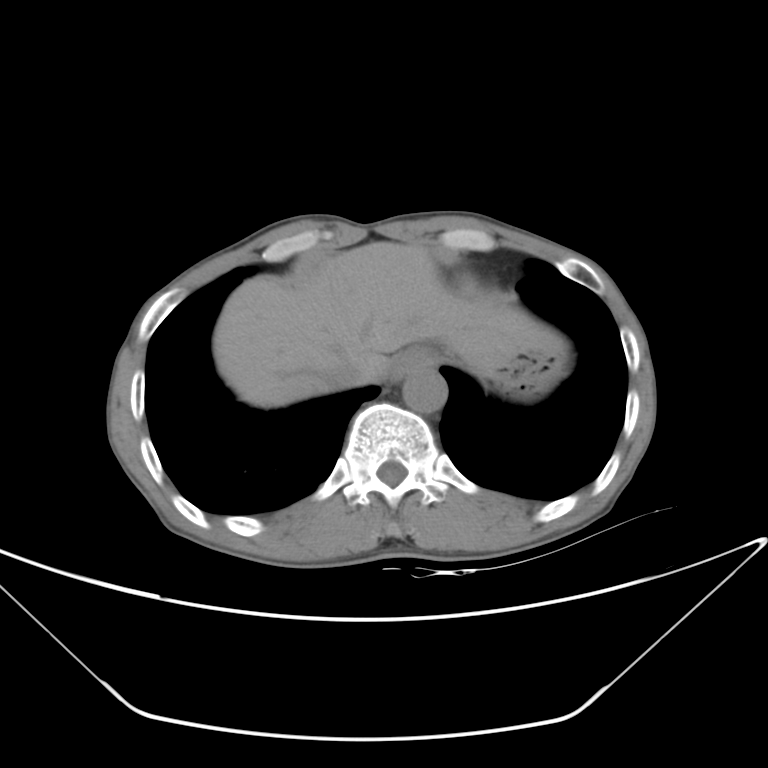
CT, abdomen/pelvis — axial view — 768x768 px — 53-year-old male patient — Brilliance16 scanner — 15 organs annotated in this scan (that count is for the whole scan; organs this slice misses have no box)
<organs><organ name="esophagus" x1="389" y1="345" x2="441" y2="379"/><organ name="liver" x1="212" y1="242" x2="556" y2="407"/><organ name="stomach" x1="488" y1="339" x2="567" y2="399"/><organ name="aorta" x1="402" y1="368" x2="447" y2="413"/><organ name="inferior vena cava" x1="323" y1="357" x2="370" y2="388"/></organs>